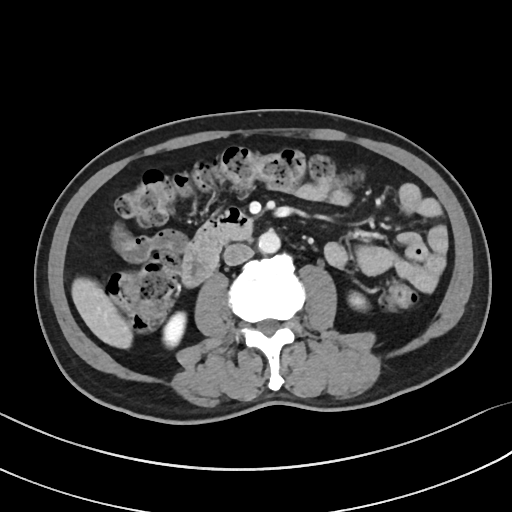
CT, abdomen/pelvis; axial view; 512x512 px; scan has 15 labeled organs (that count is for the whole scan; organs this slice misses have no box)
Boxes: x1 y1 x2 y2 (pixel coords, space-separated).
Organ bounding boxes:
- right kidney: 163 312 185 347
- left kidney: 349 293 366 309
- liver: 71 277 132 348
- aorta: 258 230 280 253
- inferior vena cava: 223 243 253 265
- duodenum: 182 208 252 286